CT abdomen. axial view. abdomen soft-tissue window. 512x512 px
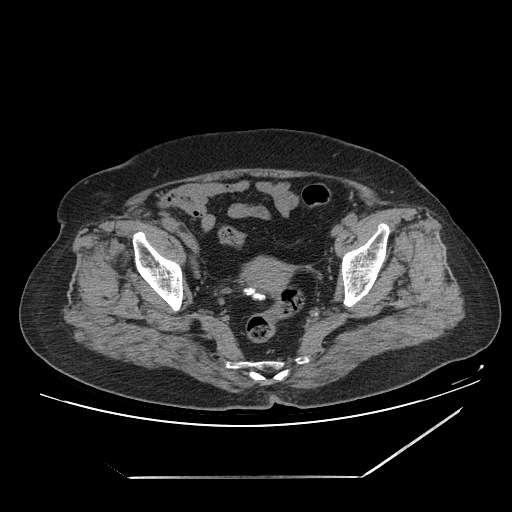
Boxes: x1:y1:x2:y2 in pixels. 1 labeled organ on this slice — prostate/uterus at 246:260:292:295.